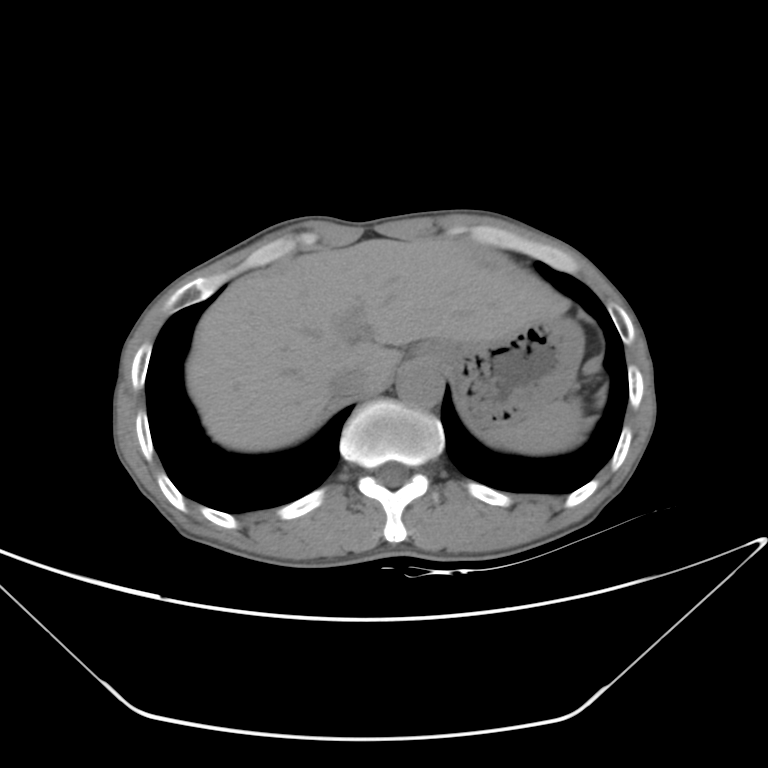

Abdominal CT — axial view — soft-tissue window (W 400 / L 40) — 53-year-old male patient — acquired on Brilliance16
{"organs":{"inferior vena cava":[328,366,368,396],"liver":[186,239,568,451],"stomach":[416,317,584,428],"spleen":[483,397,583,455],"aorta":[397,365,444,408]}}